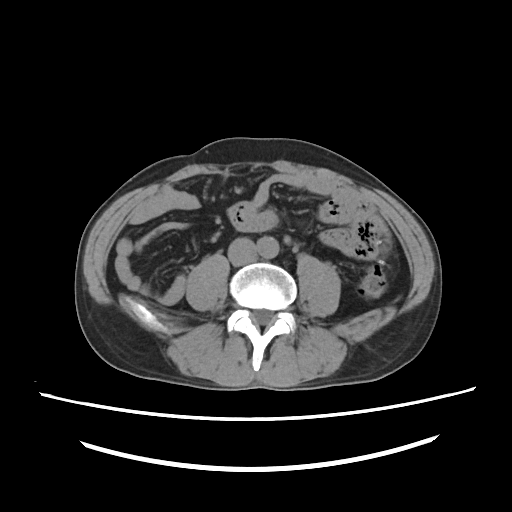

Abdominal CT; Axial slice 46/87; soft-tissue window; 512x512 px; acquired on Aquilion ONE
Bounding boxes as [x1, y1, x2, y2] in pixel coordinates.
aorta: [257, 236, 278, 257]
inferior vena cava: [228, 236, 256, 264]